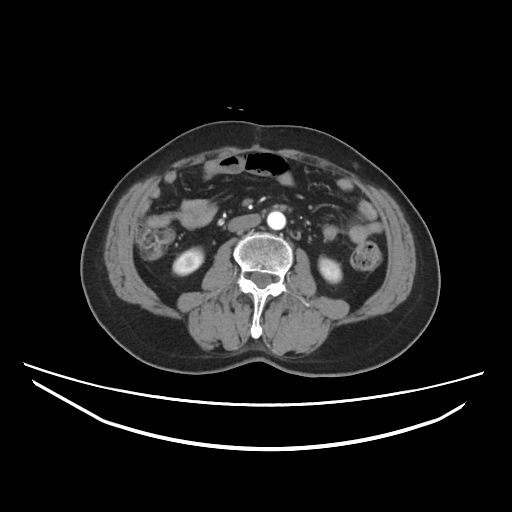 CT, abdomen/pelvis; axial view; 58-year-old male patient; acquired on Aquilion ONE; 15 organs annotated in this scan (that count is for the whole scan; organs this slice misses have no box)
Organ boxes in pixel coordinates; each row gives the top-left (x1, y1) and bottom-right (x2, y2) corners.
| organ | x1 | y1 | x2 | y2 |
|---|---|---|---|---|
| right kidney | 173 | 247 | 203 | 275 |
| left kidney | 319 | 258 | 341 | 282 |
| aorta | 267 | 211 | 285 | 229 |
| inferior vena cava | 228 | 214 | 260 | 231 |